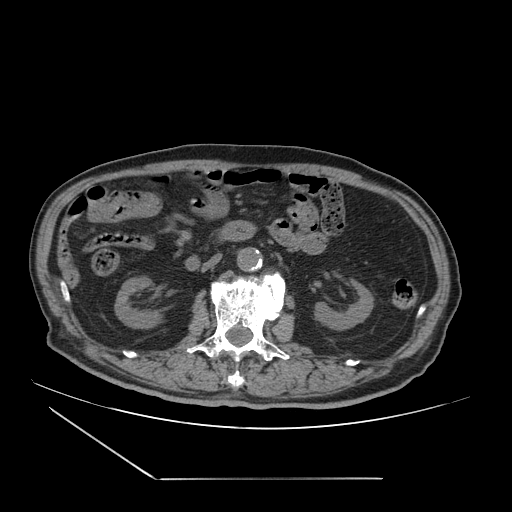

CT, abdomen/pelvis · axial view · 512x512 px · acquired on SOMATOM Force
Bounding boxes in pixels, one row per box: x1, y1 is the top-left corner and x2, y2 the bottom-right.
| organ | x1 | y1 | x2 | y2 |
|---|---|---|---|---|
| right kidney | 114 | 276 | 158 | 330 |
| left kidney | 312 | 281 | 372 | 331 |
| aorta | 237 | 248 | 263 | 272 |
| inferior vena cava | 201 | 254 | 221 | 271 |
| duodenum | 186 | 221 | 254 | 270 |